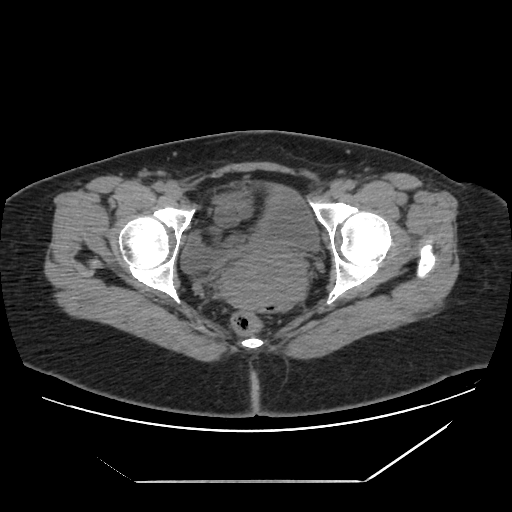
Abdominal CT — Axial slice 33/345 — 15 organs annotated in this scan (a whole-scan count: organs this slice does not pass through have no box)
Boxes: x1:y1:x2:y2 in pixels. 2 labeled organs on this slice — prostate/uterus at 221:249:304:312; bladder at 180:185:320:274.